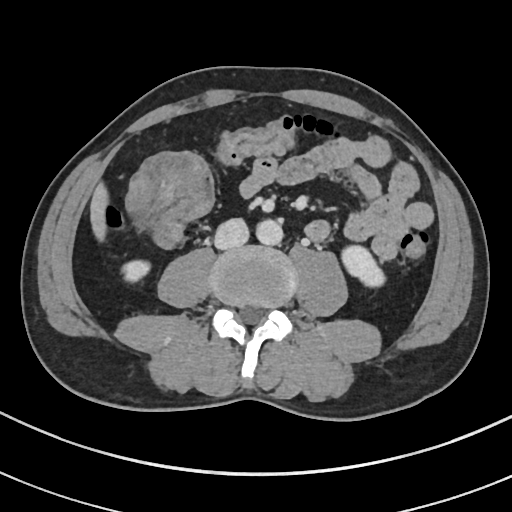 Abdominal CT · axial view · abdomen soft-tissue window · scan has 15 labeled organs (a whole-scan count: organs this slice does not pass through have no box)
Boxes are (x1, y1, x2, y2) in pixels.
right kidney: (124, 258, 147, 282)
left kidney: (342, 246, 385, 288)
liver: (91, 183, 108, 238)
aorta: (254, 219, 282, 244)
inferior vena cava: (214, 218, 248, 249)